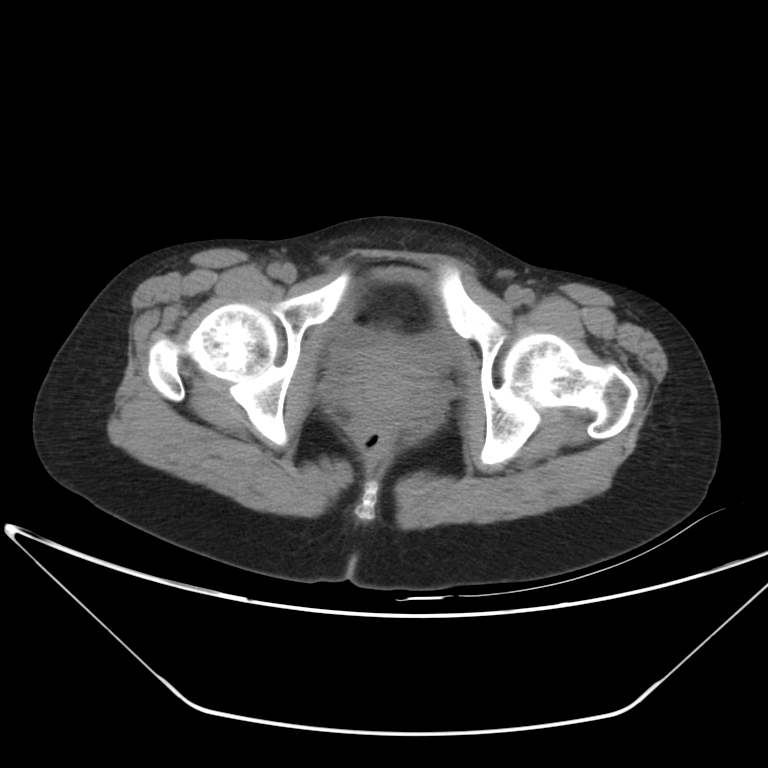

Abdominal CT · axial view · 768x768 px
Boxes: x1:y1:x2:y2 in pixels. The annotated organs in this slice are: bladder at 324:270:457:373, prostate/uterus at 344:353:431:422.